Abdominal CT. axial view. soft-tissue window (W 400 / L 40). 512x512 px. scan has 15 labeled organs (that count is for the whole scan; organs this slice misses have no box)
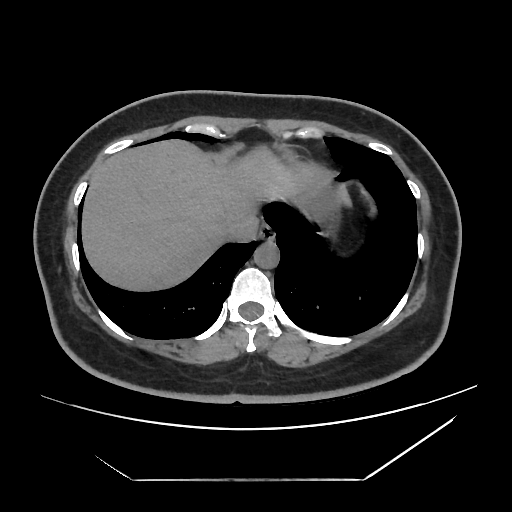 {"organs":{"esophagus":[259,225,274,241],"liver":[81,139,348,291],"aorta":[254,241,279,268],"inferior vena cava":[222,216,258,242]}}